Abdominal CT · Axial slice 17/85 · soft-tissue window (W 400 / L 40)
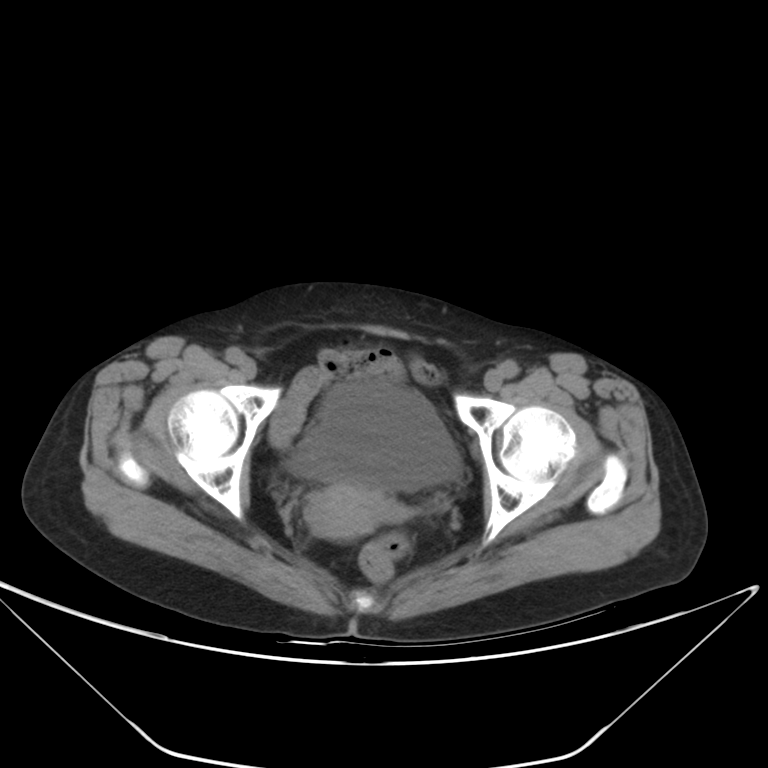 Boxes are (x1, y1, x2, y2) in pixels.
bladder: (290, 376, 460, 490)
prostate/uterus: (306, 482, 395, 540)